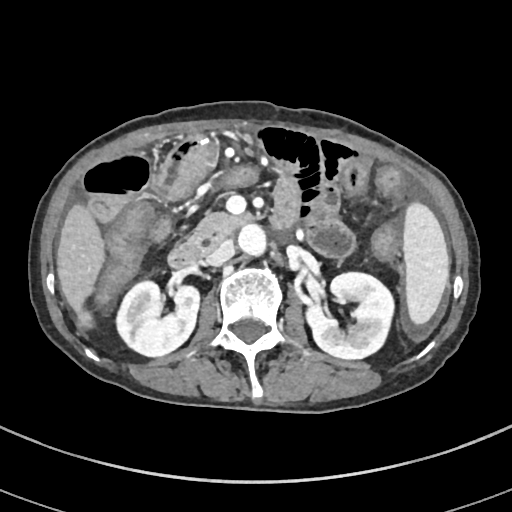

Abdominal CT; axial view
Bounding boxes as [x1, y1, x2, y2] in pixel coordinates.
Organ bounding boxes:
- spleen: [402, 202, 450, 324]
- right kidney: [116, 280, 199, 356]
- left kidney: [306, 272, 393, 359]
- liver: [56, 203, 105, 327]
- aorta: [238, 223, 266, 256]
- inferior vena cava: [206, 239, 233, 265]
- pancreas: [188, 212, 254, 244]
- duodenum: [167, 241, 206, 268]